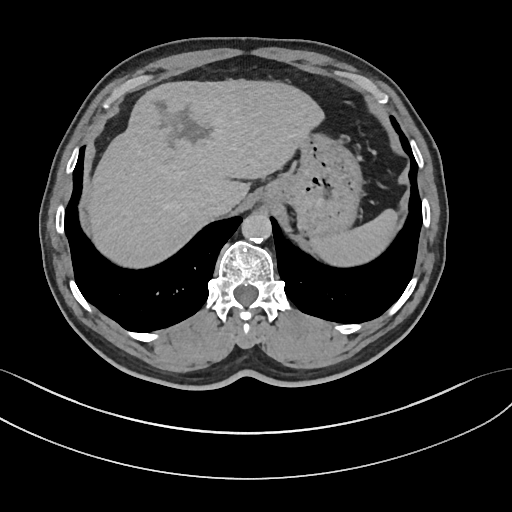 CT, abdomen/pelvis. axial view. W/L 400/40 HU. SOMATOM Force scanner
<organs><organ name="spleen" x1="312" y1="208" x2="396" y2="264"/><organ name="liver" x1="87" y1="79" x2="325" y2="266"/><organ name="stomach" x1="257" y1="135" x2="360" y2="236"/><organ name="aorta" x1="241" y1="212" x2="271" y2="243"/><organ name="inferior vena cava" x1="201" y1="191" x2="229" y2="216"/></organs>